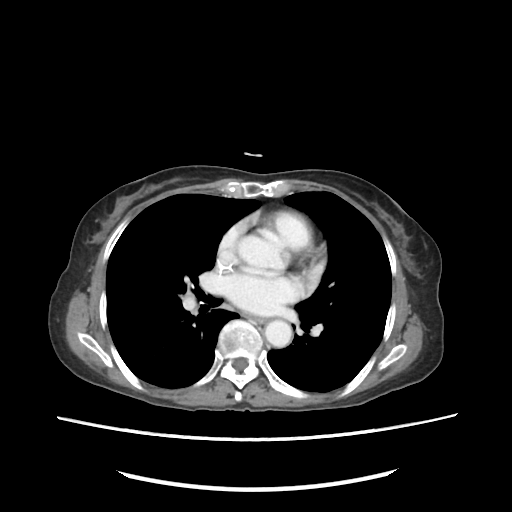 Chest-level CT slice, above the liver and spleen — axial view — 512x512 px — acquired on Aquilion ONE — scan has 15 labeled organs (a whole-scan count: organs this slice does not pass through have no box)
At this level of the chest this dataset labels only the esophagus and the aorta, and each is boxed only where it is labeled; the heart and lungs are never labeled. Boxes: x1 y1 x2 y2 (pixel coords, space-separated). The annotated organs in this slice are: esophagus at 257 319 265 322, aorta at 264 321 292 346.